CT abdomen · Axial slice 51/92 · abdomen soft-tissue window · 512x512 px · 60-year-old female patient
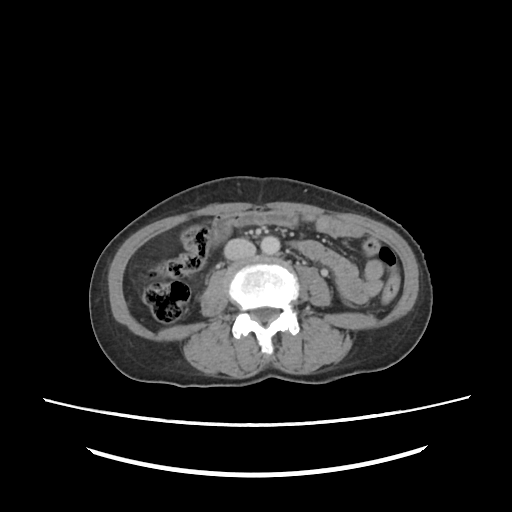 {"organs":{"aorta":[260,236,281,254],"inferior vena cava":[224,238,256,260]}}